Computed tomography, abdomen · axial plane, index 16 · soft-tissue window (W 400 / L 40) · acquired on Aquilion ONE
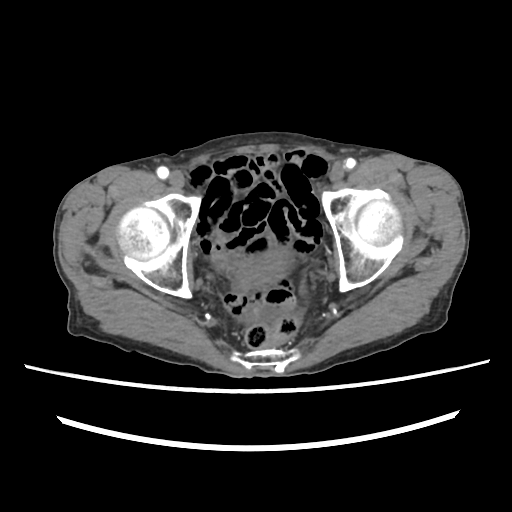

Boxes: x1 y1 x2 y2 (pixel coords, space-separated).
Organ bounding boxes:
- bladder: 240 250 289 285